Abdominal CT — axial plane, index 82 — 62-year-old female patient — 15 organs annotated in this scan (counted over the whole 3D scan, not this slice; an organ is boxed only where this slice passes through it)
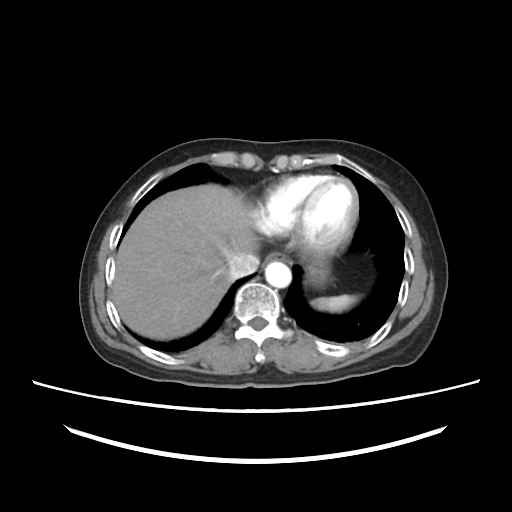
<organs><organ name="spleen" x1="311" y1="294" x2="358" y2="312"/><organ name="esophagus" x1="266" y1="253" x2="281" y2="262"/><organ name="liver" x1="113" y1="184" x2="256" y2="339"/><organ name="stomach" x1="305" y1="257" x2="329" y2="287"/><organ name="aorta" x1="265" y1="261" x2="291" y2="287"/><organ name="inferior vena cava" x1="227" y1="253" x2="259" y2="279"/></organs>